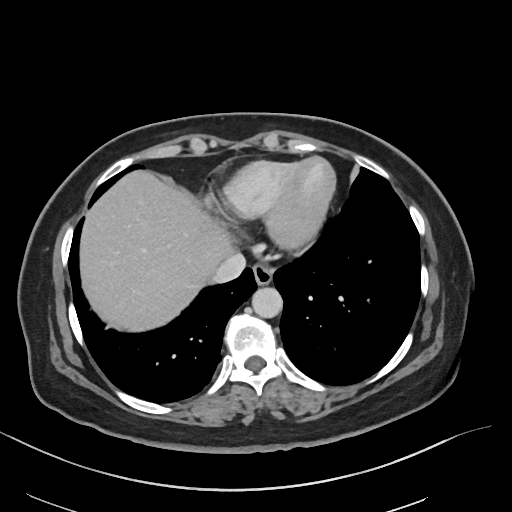

Abdominal CT — axial view — acquired on SOMATOM Force
Bounding boxes in pixels, one row per box: x1, y1 is the top-left corner and x2, y2 the bottom-right.
| organ | x1 | y1 | x2 | y2 |
|---|---|---|---|---|
| inferior vena cava | 213 | 253 | 245 | 284 |
| esophagus | 253 | 263 | 274 | 284 |
| liver | 78 | 170 | 232 | 332 |
| aorta | 251 | 287 | 282 | 318 |